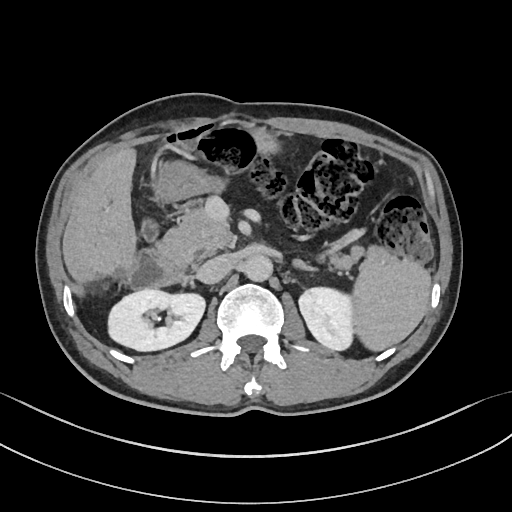

Computed tomography, abdomen · axial plane, index 160
Organ boxes in pixel coordinates; each row gives the top-left (x1, y1) and bottom-right (x2, y2) corners.
| organ | x1 | y1 | x2 | y2 |
|---|---|---|---|---|
| duodenum | 130 | 218 | 184 | 290 |
| liver | 78 | 148 | 138 | 277 |
| aorta | 242 | 253 | 273 | 282 |
| left kidney | 297 | 286 | 353 | 349 |
| stomach | 154 | 125 | 278 | 201 |
| pancreas | 160 | 200 | 390 | 271 |
| spleen | 352 | 255 | 431 | 351 |
| inferior vena cava | 198 | 255 | 235 | 284 |
| right kidney | 109 | 289 | 206 | 351 |
| left adrenal gland | 290 | 259 | 316 | 271 |